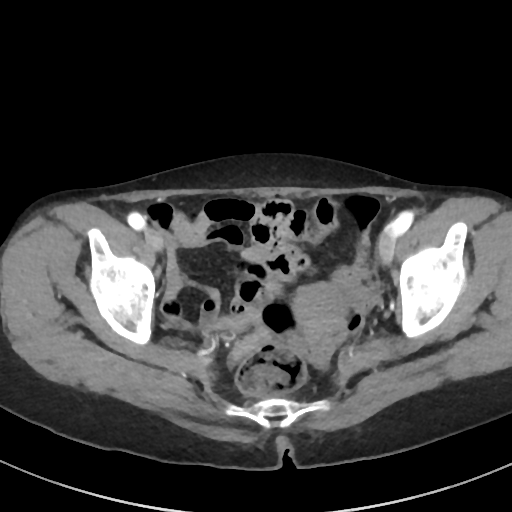

CT abdomen; axial view
{"organs":{"prostate/uterus":[293,284,346,332]}}